Chest-level CT slice, above the liver and spleen. Axial slice 110/116. 512x512 px
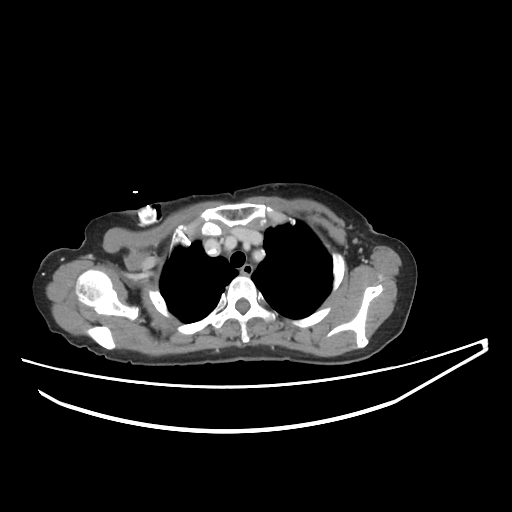
On a slice this high in the chest, this dataset labels only the esophagus and the aorta, and each is boxed only where it is labeled; the heart, lungs and other chest structures are not labeled.
<organs><organ name="esophagus" x1="241" y1="264" x2="252" y2="274"/></organs>